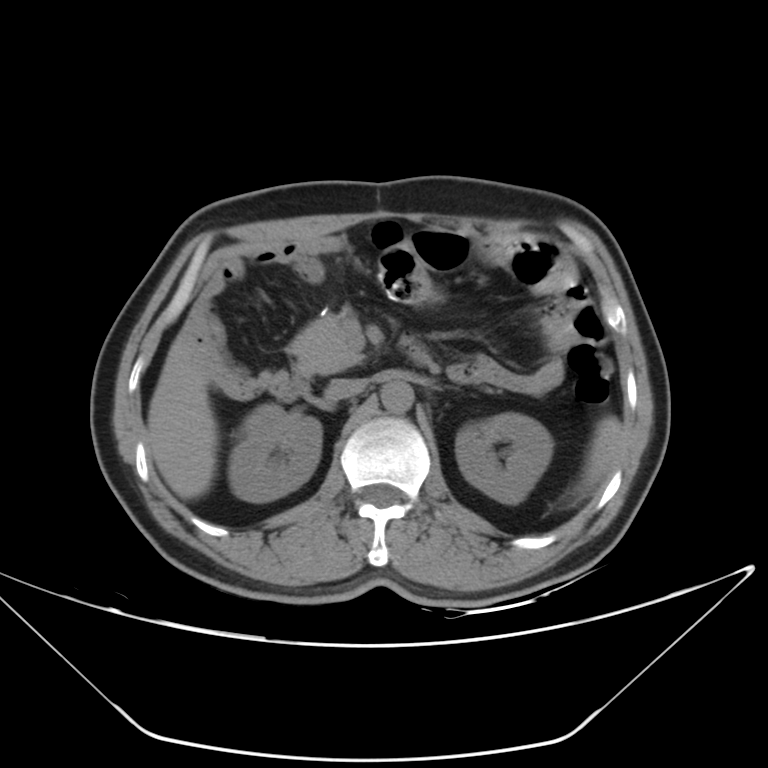
Computed tomography, abdomen · Axial slice 67/99 · Brilliance16 scanner
Bounding boxes in pixels, one row per box: x1, y1 is the top-left corner and x2, y2 the bottom-right.
| organ | x1 | y1 | x2 | y2 |
|---|---|---|---|---|
| inferior vena cava | 325 | 378 | 366 | 400 |
| pancreas | 289 | 316 | 363 | 374 |
| left kidney | 455 | 413 | 552 | 504 |
| duodenum | 271 | 338 | 431 | 401 |
| right kidney | 228 | 403 | 322 | 502 |
| liver | 147 | 334 | 217 | 499 |
| spleen | 573 | 416 | 622 | 499 |
| aorta | 380 | 381 | 414 | 413 |